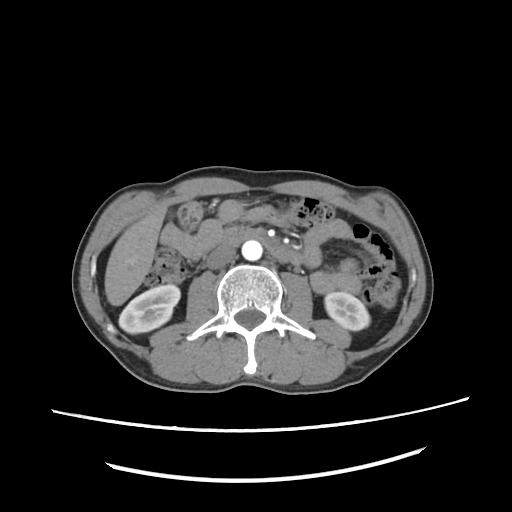
CT abdomen; axial view
Box edges are left/top/right/bottom in pixels.
Organ bounding boxes:
- right kidney: left=118, top=284, right=179, bottom=333
- left kidney: left=324, top=292, right=369, bottom=329
- liver: left=105, top=206, right=167, bottom=304
- aorta: left=241, top=240, right=263, bottom=260
- inferior vena cava: left=205, top=244, right=236, bottom=268
- duodenum: left=223, top=226, right=296, bottom=261